Abdominal CT · axial view · 512x512 px
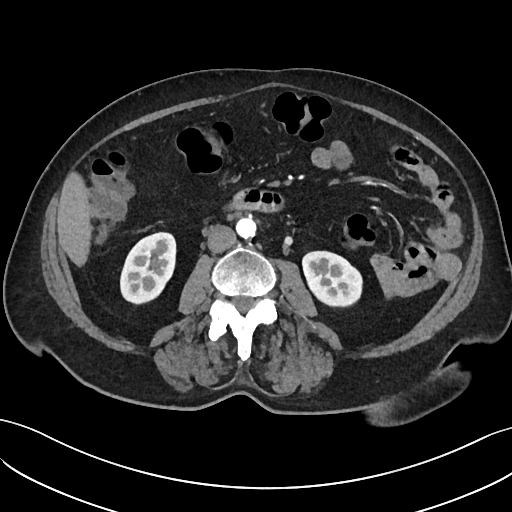

One row per box, in pixels: columns x1 and y1 give the top-left corner, x2 and y2 the bottom-right.
| organ | x1 | y1 | x2 | y2 |
|---|---|---|---|---|
| right kidney | 120 | 232 | 175 | 303 |
| left kidney | 302 | 251 | 361 | 306 |
| liver | 57 | 172 | 91 | 266 |
| aorta | 236 | 217 | 256 | 238 |
| inferior vena cava | 207 | 225 | 236 | 252 |
| duodenum | 230 | 188 | 284 | 212 |